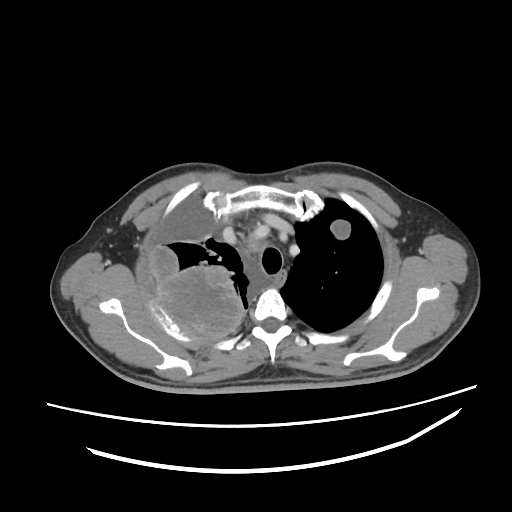 Abdominal CT reaching into the chest; this slice is in the chest; axial plane, index 120; 512x512 px; 49-year-old male patient
At this level of the chest no structure but the esophagus and the aorta has a label in this dataset, and those two are boxed only where they are labeled.
Boxes are (x1, y1, x2, y2) in pixels.
Organ bounding boxes:
- esophagus: (274, 270, 287, 288)